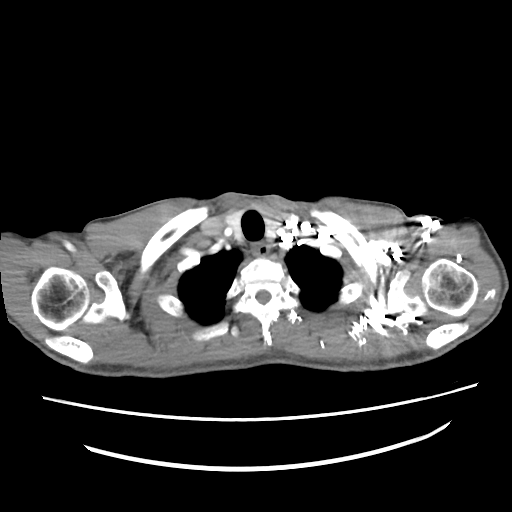

Chest-level slice from an abdominal CT that extends up into the chest. Axial slice 130/133. soft-tissue window (W 400 / L 40). scan has 14 labeled organs (a whole-scan count: organs this slice does not pass through have no box)
At this level of the chest this dataset labels only the esophagus and the aorta, and each is boxed only where it is labeled; the heart and lungs are never labeled.
Coordinates as <box>x1,y1,x2,y2</box> in pixels.
Organ bounding boxes:
- esophagus: <box>250,241,268,257</box>